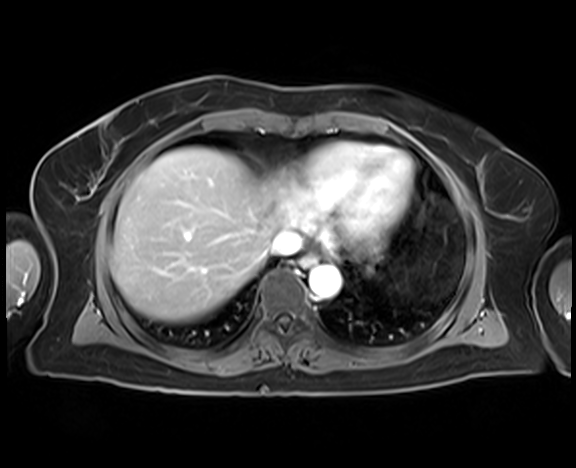

MRI, abdomen — axial view
Each box given as x1,y1,x2,y2.
Organ bounding boxes:
- aorta: x1=309, y1=265, x2=340, y2=298
- liver: x1=112, y1=147, x2=286, y2=322
- esophagus: x1=300, y1=253, x2=317, y2=266
- inferior vena cava: x1=270, y1=229, x2=302, y2=254